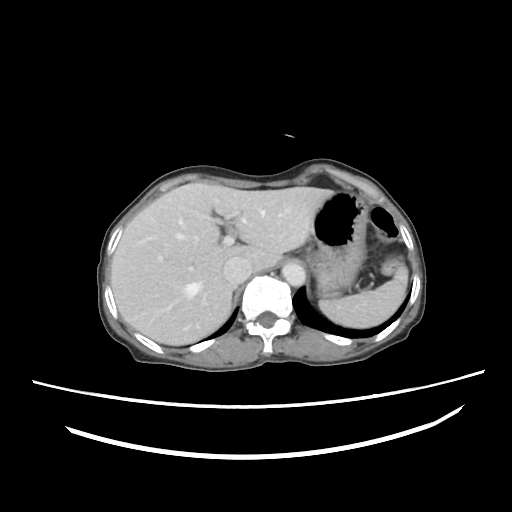 CT abdomen — axial view
One row per box, in pixels: columns x1 and y1 give the top-left corner, x2 and y2 the bottom-right.
| organ | x1 | y1 | x2 | y2 |
|---|---|---|---|---|
| spleen | 318 | 268 | 409 | 329 |
| inferior vena cava | 222 | 257 | 252 | 283 |
| stomach | 310 | 190 | 366 | 297 |
| liver | 111 | 183 | 334 | 345 |
| aorta | 282 | 261 | 304 | 283 |